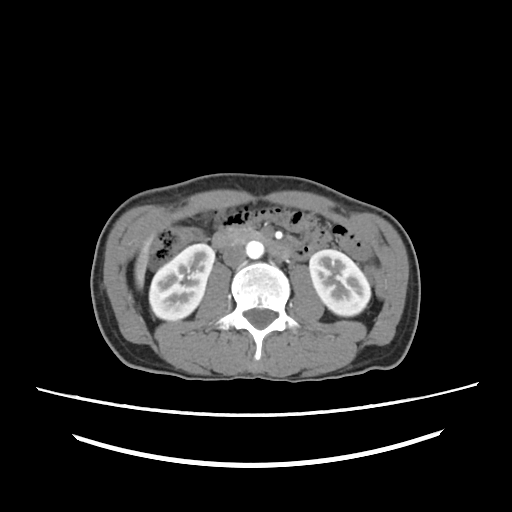 Abdominal CT; axial plane, index 18; 51-year-old male patient
<organs><organ name="right kidney" x1="149" y1="244" x2="215" y2="320"/><organ name="left kidney" x1="310" y1="250" x2="371" y2="316"/><organ name="liver" x1="134" y1="232" x2="154" y2="291"/><organ name="aorta" x1="247" y1="242" x2="263" y2="258"/><organ name="inferior vena cava" x1="220" y1="246" x2="246" y2="266"/><organ name="duodenum" x1="211" y1="228" x2="291" y2="259"/></organs>